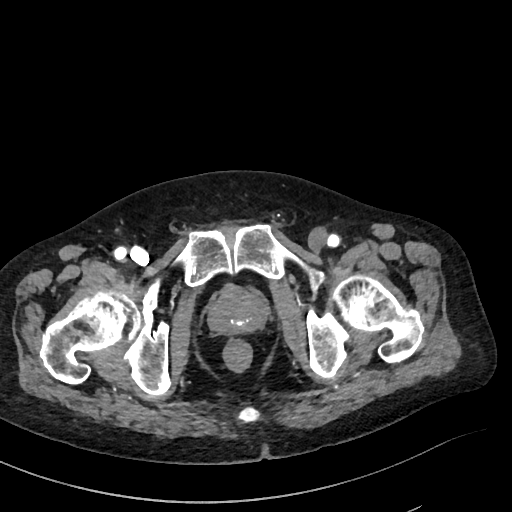 Computed tomography, abdomen · axial view · 512x512 px
<organs><organ name="prostate/uterus" x1="209" y1="288" x2="264" y2="334"/></organs>